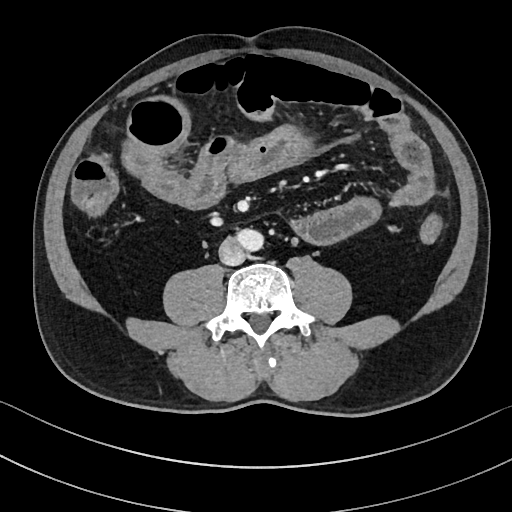
Abdominal CT; axial view; 512x512 px
<organs><organ name="inferior vena cava" x1="219" y1="238" x2="246" y2="265"/><organ name="aorta" x1="238" y1="229" x2="264" y2="251"/></organs>